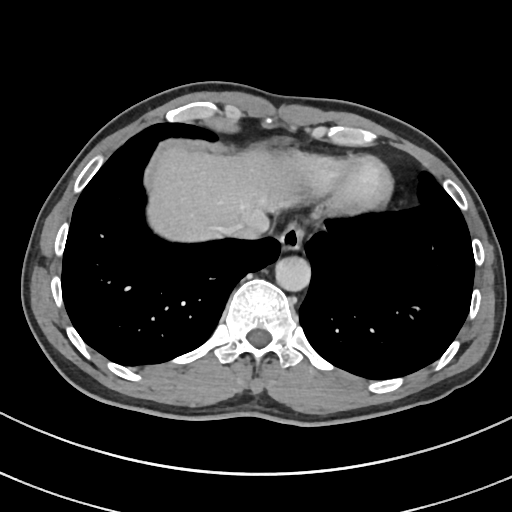
CT abdomen. axial view. soft-tissue window. 15 organs annotated in this scan (a whole-scan count: organs this slice does not pass through have no box)
Box edges are left/top/right/bottom in pixels.
esophagus: left=278, top=223, right=303, bottom=250
liver: left=147, top=145, right=300, bottom=241
aorta: left=275, top=256, right=311, bottom=291
inferior vena cava: left=218, top=223, right=245, bottom=235